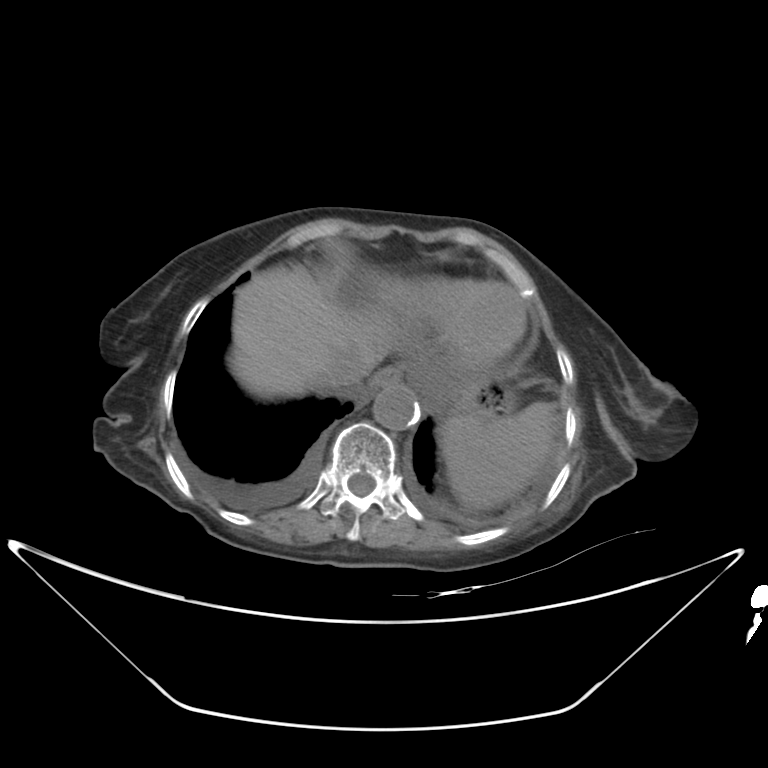 Abdominal CT; axial view; abdomen soft-tissue window
<organs><organ name="spleen" x1="441" y1="402" x2="558" y2="510"/><organ name="esophagus" x1="370" y1="367" x2="400" y2="390"/><organ name="liver" x1="229" y1="267" x2="394" y2="398"/><organ name="stomach" x1="394" y1="367" x2="514" y2="422"/><organ name="aorta" x1="373" y1="384" x2="420" y2="430"/><organ name="inferior vena cava" x1="320" y1="359" x2="369" y2="390"/></organs>